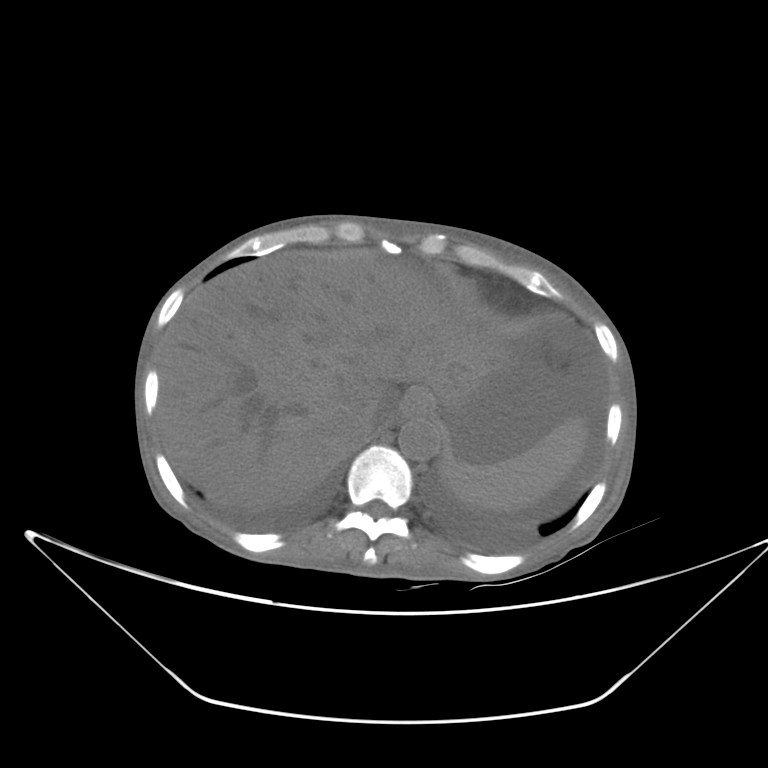 CT, abdomen/pelvis — axial view — soft-tissue window — acquired on Brilliance16
Bounding boxes as [x1, y1, x2, y2] in pixel coordinates.
Organ bounding boxes:
- spleen: [440, 416, 588, 511]
- inferior vena cava: [332, 402, 376, 443]
- esophagus: [402, 387, 434, 414]
- aorta: [398, 415, 440, 460]
- liver: [158, 252, 508, 512]